Magnetic resonance imaging, abdomen — Axial slice 44/72 — 320x260 px — acquired on Prisma — 13 organs annotated in this scan (a whole-scan count: organs this slice does not pass through have no box)
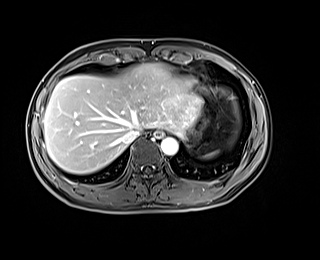

Each box given as x1,y1,x2,y2.
spleen: x1=201, y1=151, x2=218, y2=158
esophagus: x1=154, y1=131, x2=163, y2=137
stomach: x1=187, y1=114, x2=206, y2=138
liver: x1=44, y1=63, x2=202, y2=173
inferior vena cava: x1=122, y1=128, x2=141, y2=143
aorta: x1=161, y1=137, x2=178, y2=155